Chest-level slice from an abdominal CT that extends up into the chest; axial view; soft-tissue window; SOMATOM Force scanner; 15 organs annotated in this scan (counted over the whole 3D scan, not this slice; an organ is boxed only where this slice passes through it)
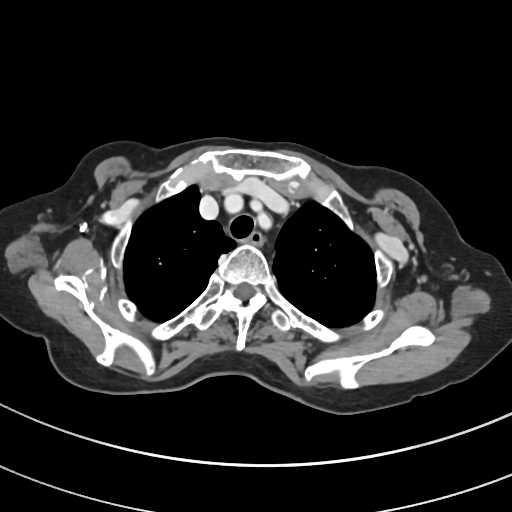

At this level of the chest no structure but the esophagus and the aorta has a label in this dataset, and those two are boxed only where they are labeled. Boxes: x1 y1 x2 y2 (pixel coords, space-separated). The annotated organs in this slice are: esophagus at 245 230 264 246.